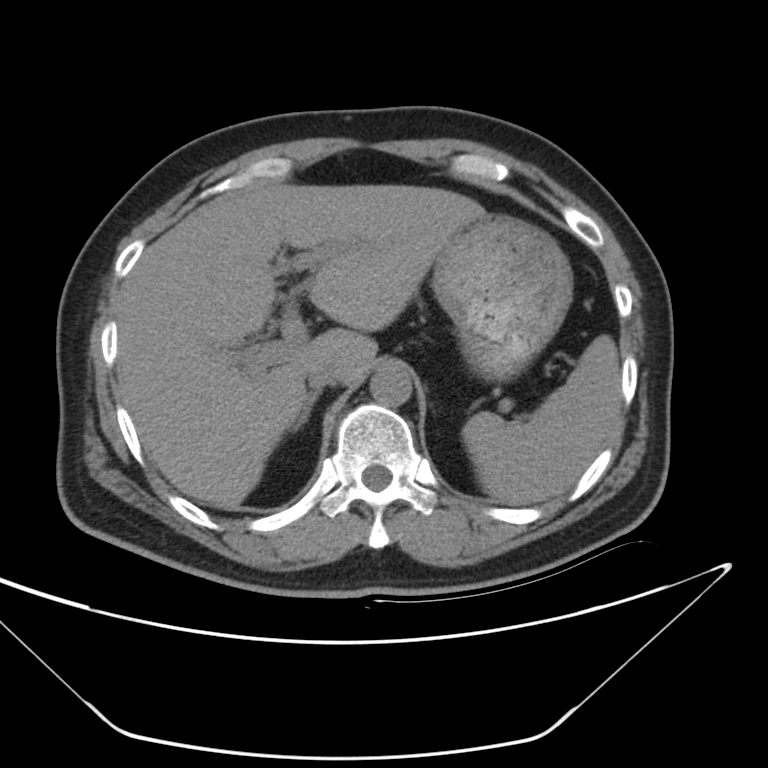 CT, abdomen/pelvis; axial view; 768x768 px; 50-year-old male patient; scan has 14 labeled organs (a whole-scan count: organs this slice does not pass through have no box)
Organ boxes in pixel coordinates; each row gives the top-left (x1, y1) and bottom-right (x2, y2) corners.
| organ | x1 | y1 | x2 | y2 |
|---|---|---|---|---|
| aorta | 369 | 367 | 414 | 407 |
| stomach | 432 | 207 | 571 | 384 |
| right adrenal gland | 294 | 391 | 319 | 432 |
| inferior vena cava | 304 | 349 | 353 | 387 |
| spleen | 463 | 333 | 620 | 507 |
| liver | 117 | 179 | 480 | 510 |